CT abdomen. Axial slice 69/82. 15 organs annotated in this scan (a whole-scan count: organs this slice does not pass through have no box)
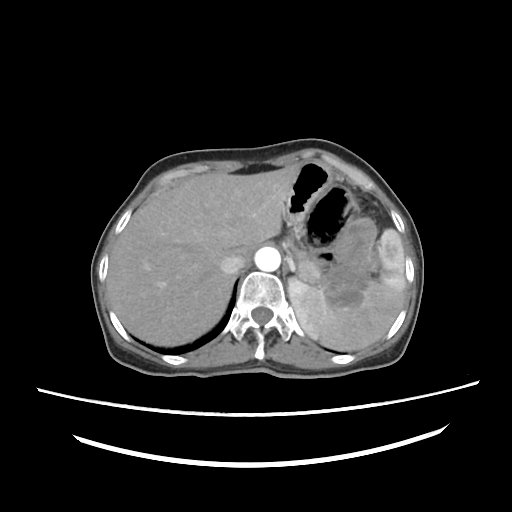 Bounding boxes in pixels, one row per box: x1, y1 is the top-left corner and x2, y2 the bottom-right.
| organ | x1 | y1 | x2 | y2 |
|---|---|---|---|---|
| spleen | 287 | 228 | 406 | 350 |
| liver | 107 | 167 | 296 | 344 |
| stomach | 284 | 163 | 380 | 311 |
| aorta | 255 | 245 | 281 | 271 |
| inferior vena cava | 220 | 255 | 244 | 273 |